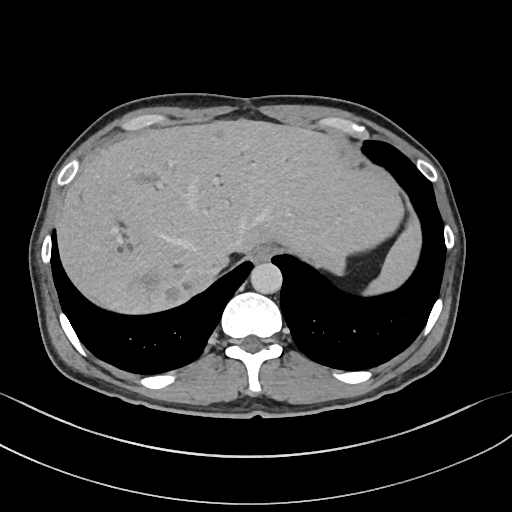
Computed tomography, abdomen — axial view — soft-tissue window (W 400 / L 40)
Box edges are left/top/right/bottom in pixels.
Organ bounding boxes:
- spleen: left=364, top=209, right=421, bottom=294
- esophagus: left=252, top=244, right=279, bottom=261
- liver: left=55, top=118, right=403, bottom=315
- aorta: left=250, top=262, right=282, bottom=293
- inferior vena cava: left=192, top=265, right=220, bottom=288